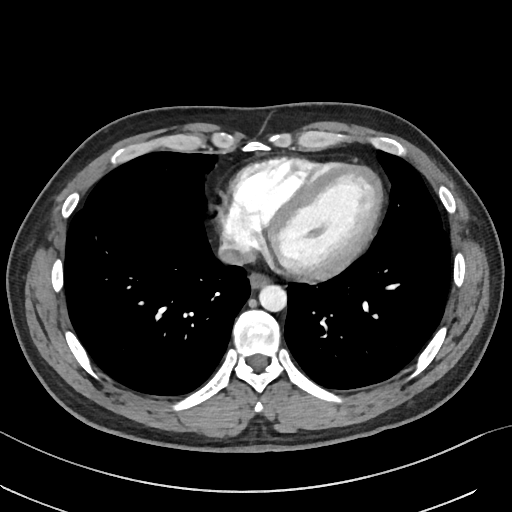 Abdominal CT; this slice is in the lower chest, just above the liver — Axial slice 210/307 — SOMATOM Force scanner — scan has 15 labeled organs (that count is for the whole scan; organs this slice misses have no box)
The heart and lungs are never labeled in this dataset, so they have no box on this slice.
{"organs":{"aorta":[258,284,286,310],"inferior vena cava":[218,238,256,265],"esophagus":[249,273,267,286]}}